CT of the abdomen reaching into the lower chest, slice just above the liver and spleen · axial view · W/L 400/40 HU · 512x512 px
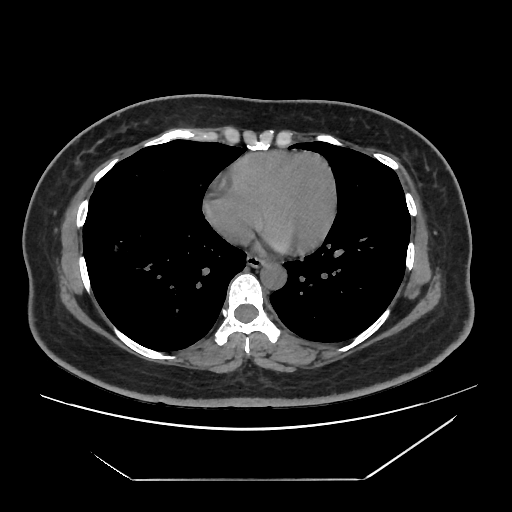 The heart and lungs are never labeled in this dataset, so they have no box on this slice.
<organs><organ name="aorta" x1="260" y1="262" x2="286" y2="288"/><organ name="esophagus" x1="247" y1="254" x2="265" y2="266"/></organs>